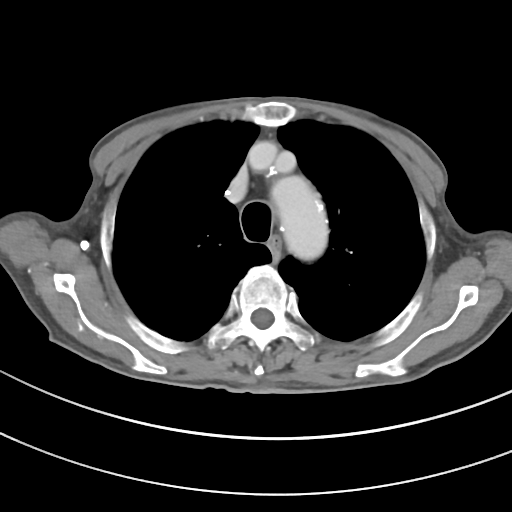
Chest-level CT slice, above the liver and spleen; axial view; W/L 400/40 HU
At this level of the chest no structure but the esophagus and the aorta has a label in this dataset, and those two are boxed only where they are labeled.
<organs><organ name="esophagus" x1="268" y1="234" x2="281" y2="262"/><organ name="aorta" x1="271" y1="176" x2="328" y2="260"/></organs>